CT, abdomen/pelvis — axial view — W/L 400/40 HU — 768x768 px — 15 organs annotated in this scan (that count is for the whole scan; organs this slice misses have no box)
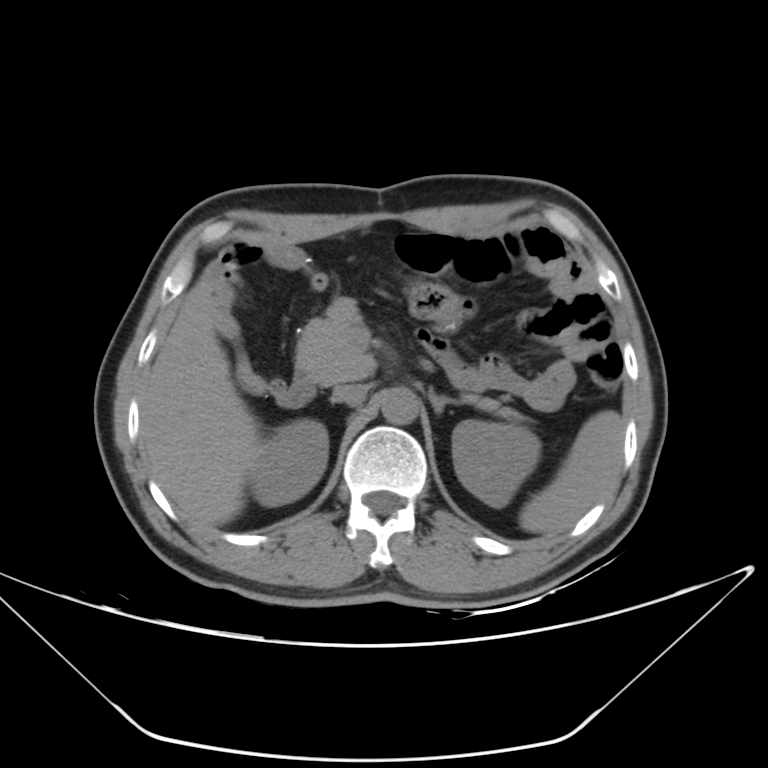
Each box given as x1,y1,x2,y2. The annotated organs in this slice are: pancreas at x1=295, y1=300, x2=522, y2=421, duodenum at x1=271, y1=371, x2=315, y2=407, right kidney at x1=251, y1=419, x2=328, y2=506, liver at x1=141, y1=271, x2=262, y2=527, aorta at x1=380, y1=387, x2=419, y2=424, left adrenal gland at x1=429, y1=390, x2=461, y2=414, spleen at x1=519, y1=411, x2=624, y2=534, stomach at x1=456, y1=239, x2=509, y2=283, inferior vena cava at x1=331, y1=384, x2=367, y2=405, left kidney at x1=452, y1=420, x2=540, y2=507.